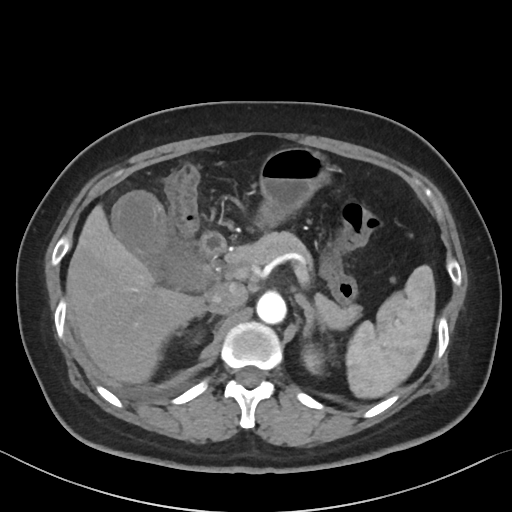

CT, abdomen/pelvis — axial view — soft-tissue window (W 400 / L 40) — 512x512 px
Boxes: x1 y1 x2 y2 (pixel coords, space-separated). The annotated organs in this slice are: spleen at 346 265 435 398, duodenum at 199 231 226 256, aorta at 256 291 286 323, right adrenal gland at 183 307 215 328, pancreas at 225 232 360 329, left adrenal gland at 295 293 325 336, gall bladder at 112 191 208 289, inferior vena cava at 207 282 247 314, liver at 66 205 205 383, stomach at 256 147 330 228, left kidney at 303 347 323 374, right kidney at 189 332 202 344.